CT abdomen; axial view; W/L 400/40 HU
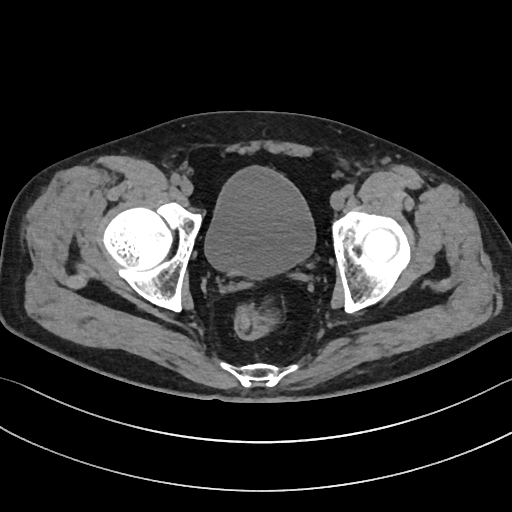

Bounding boxes as [x1, y1, x2, y2] in pixel coordinates.
bladder: [205, 166, 315, 278]